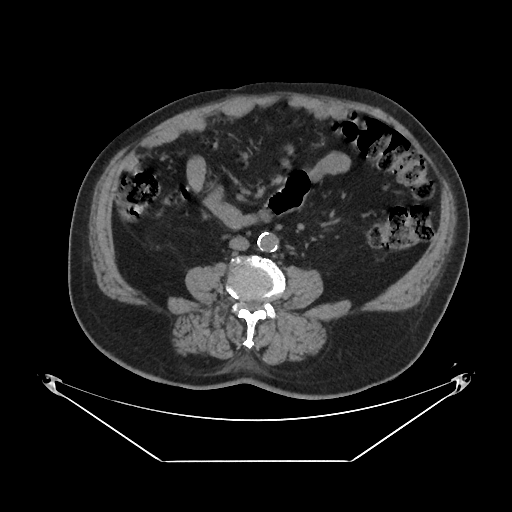 CT, abdomen/pelvis; axial view; abdomen soft-tissue window; 512x512 px; acquired on SOMATOM Force
Box edges are left/top/right/bottom in pixels. 2 labeled organs on this slice — aorta at left=257, top=232, right=278, bottom=251; inferior vena cava at left=229, top=236, right=249, bottom=250.